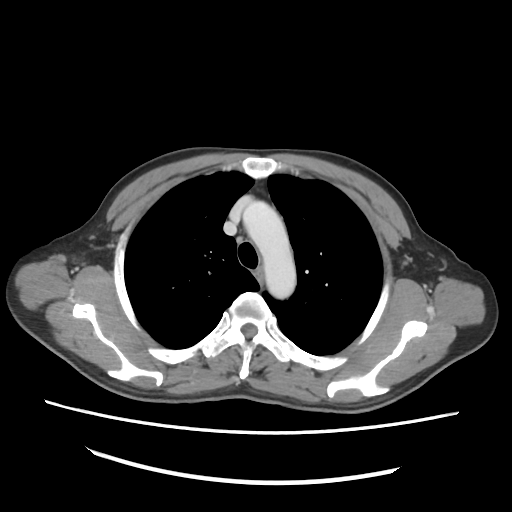
Chest-level slice from an abdominal CT that extends up into the chest; axial plane, index 99
On a slice this high in the chest, this dataset labels only the esophagus and the aorta, and each is boxed only where it is labeled; the heart, lungs and other chest structures are not labeled.
Boxes: x1:y1:x2:y2 in pixels.
Organ bounding boxes:
- esophagus: 253:268:263:281
- aorta: 243:201:296:298